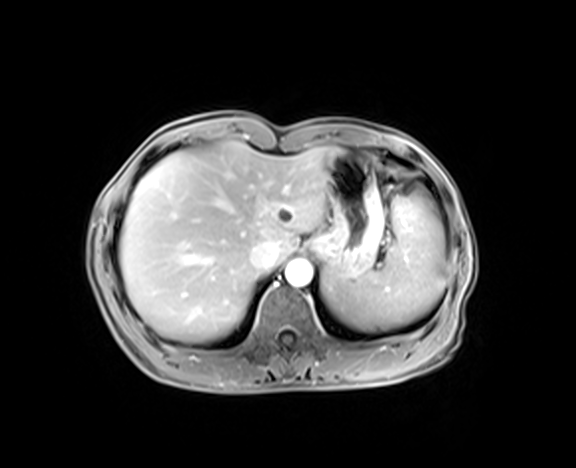 Magnetic resonance imaging, abdomen — Axial slice 57/72 — 576x468 px
{"organs":{"spleen":[323,193,444,330],"liver":[119,141,337,341],"stomach":[308,150,384,280],"aorta":[285,259,312,286],"inferior vena cava":[250,241,277,271]}}